CT of the abdomen reaching into the lower chest, slice just above the liver and spleen · axial plane, index 209 · soft-tissue window (W 400 / L 40) · SOMATOM Force scanner · 15 organs annotated in this scan (a whole-scan count: organs this slice does not pass through have no box)
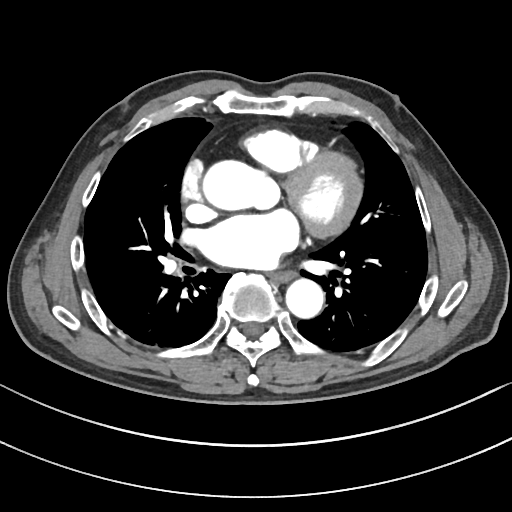
Of the structures in the chest, this dataset labels only the esophagus, the aorta and the inferior vena cava; the heart and lungs have no label.
Boxes are (x1, y1, x2, y2) in pixels.
esophagus: (269, 270, 293, 281)
aorta: (203, 159, 276, 210)
aorta: (285, 277, 323, 317)